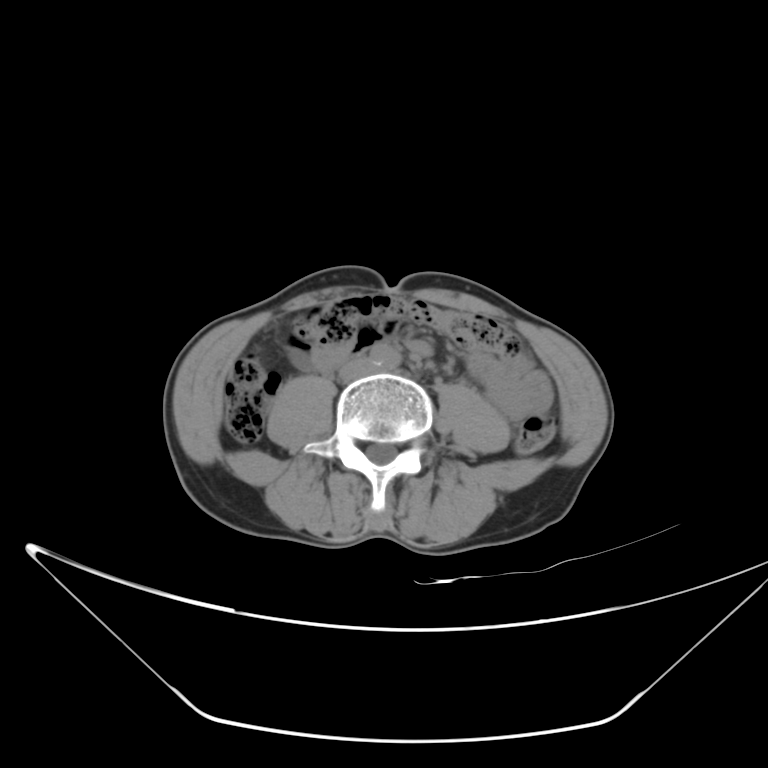
Computed tomography, abdomen · axial plane, index 50 · soft-tissue window
Each box given as x1,y1,x2,y2.
Organ bounding boxes:
- aorta: x1=369, y1=344, x2=400, y2=369
- inferior vena cava: x1=339, y1=359, x2=374, y2=381